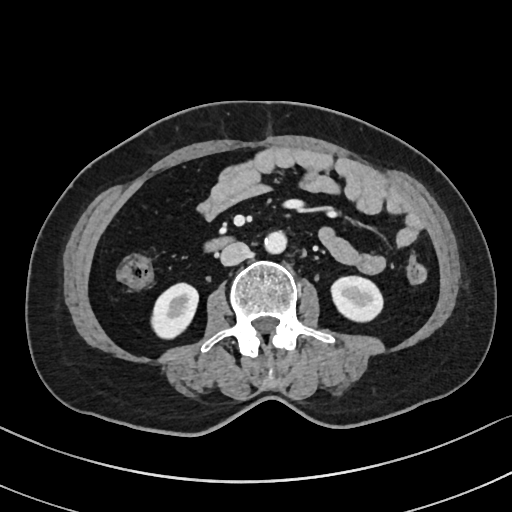

CT abdomen — Axial slice 129/314 — soft-tissue window
Bounding boxes as [x1, y1, x2, y2] in pixel coordinates.
Organ bounding boxes:
- right kidney: [151, 283, 198, 338]
- left kidney: [331, 276, 382, 321]
- aorta: [264, 231, 287, 253]
- inferior vena cava: [220, 242, 250, 265]
- duodenum: [205, 238, 230, 251]